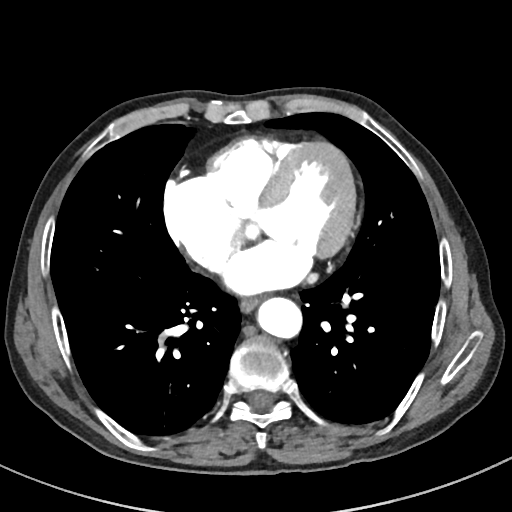 CT of the abdomen reaching into the lower chest, slice just above the liver and spleen; Axial slice 222/303
No part of the heart or lungs is labeled in this dataset, so neither has a box here.
Box edges are left/top/right/bottom in pixels.
esophagus: left=240, top=296, right=265, bottom=312
aorta: left=257, top=297, right=302, bottom=338